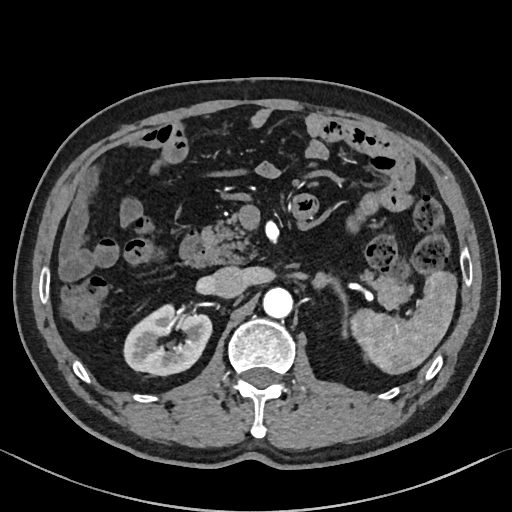
CT, abdomen/pelvis · axial view · W/L 400/40 HU
Box edges are left/top/right/bottom in pixels.
Organ bounding boxes:
- spleen: left=350, top=271, right=457, bottom=374
- right kidney: left=124, top=304, right=211, bottom=375
- aorta: left=263, top=287, right=292, bottom=318
- inferior vena cava: left=211, top=266, right=246, bottom=298
- pancreas: left=201, top=215, right=412, bottom=309
- left adrenal gland: left=312, top=273, right=347, bottom=336
- duodenum: left=179, top=229, right=212, bottom=268